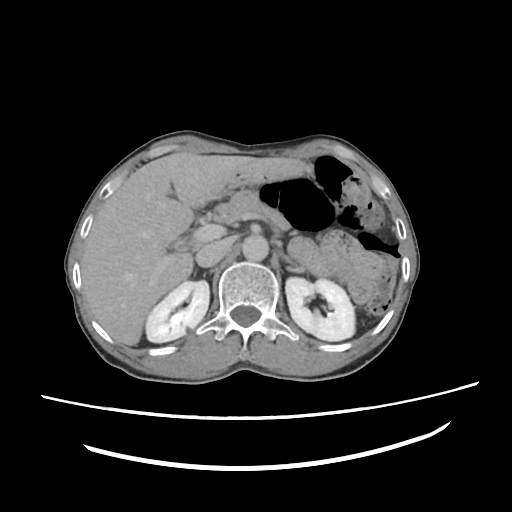

CT, abdomen/pelvis. axial view
<organs><organ name="right kidney" x1="145" y1="280" x2="210" y2="343"/><organ name="left kidney" x1="285" y1="277" x2="355" y2="341"/><organ name="liver" x1="80" y1="150" x2="252" y2="345"/><organ name="stomach" x1="224" y1="158" x2="309" y2="195"/><organ name="aorta" x1="241" y1="235" x2="269" y2="260"/><organ name="inferior vena cava" x1="195" y1="242" x2="227" y2="266"/><organ name="pancreas" x1="214" y1="190" x2="289" y2="228"/><organ name="left adrenal gland" x1="283" y1="254" x2="298" y2="266"/></organs>